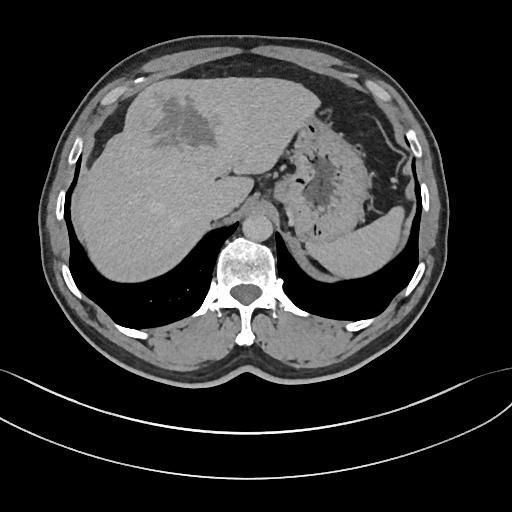

Abdominal CT. axial view. abdomen soft-tissue window. 512x512 px. 15 organs annotated in this scan (counted over the whole 3D scan, not this slice; an organ is boxed only where this slice passes through it)
<organs><organ name="spleen" x1="306" y1="206" x2="404" y2="277"/><organ name="liver" x1="73" y1="77" x2="320" y2="281"/><organ name="stomach" x1="274" y1="116" x2="369" y2="243"/><organ name="aorta" x1="242" y1="214" x2="273" y2="240"/><organ name="inferior vena cava" x1="202" y1="195" x2="230" y2="219"/></organs>